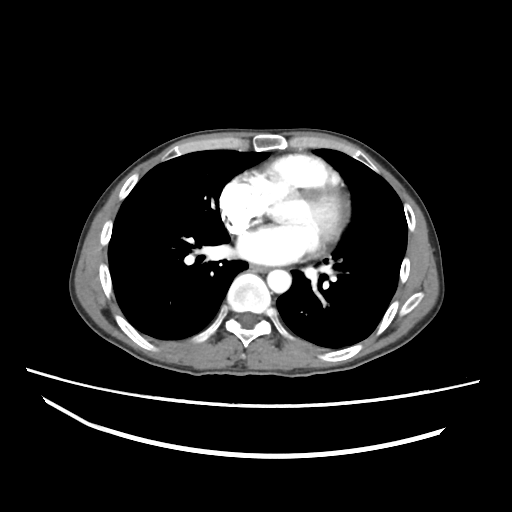
CT of the abdomen extending into the chest, slice through the chest. axial view. 512x512 px
At this level of the chest this dataset labels only the esophagus and the aorta, and each is boxed only where it is labeled; the heart and lungs are never labeled. Box edges are left/top/right/bottom in pixels. The annotated organs in this slice are: esophagus at left=250, top=264, right=268, bottom=272, aorta at left=267, top=269, right=291, bottom=293.